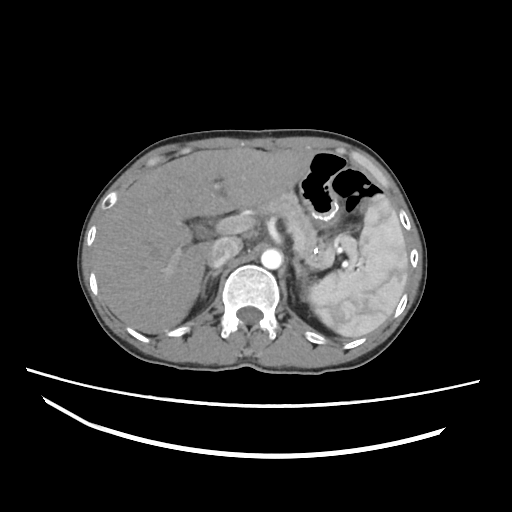

CT, abdomen/pelvis · Axial slice 79/140 · 512x512 px · Aquilion ONE scanner
<organs><organ name="spleen" x1="308" y1="195" x2="408" y2="337"/><organ name="gall bladder" x1="194" y1="224" x2="209" y2="238"/><organ name="liver" x1="93" y1="147" x2="314" y2="333"/><organ name="aorta" x1="261" y1="249" x2="282" y2="269"/><organ name="inferior vena cava" x1="207" y1="236" x2="242" y2="267"/><organ name="pancreas" x1="253" y1="191" x2="324" y2="269"/><organ name="right adrenal gland" x1="201" y1="268" x2="221" y2="298"/><organ name="left adrenal gland" x1="292" y1="257" x2="307" y2="288"/></organs>